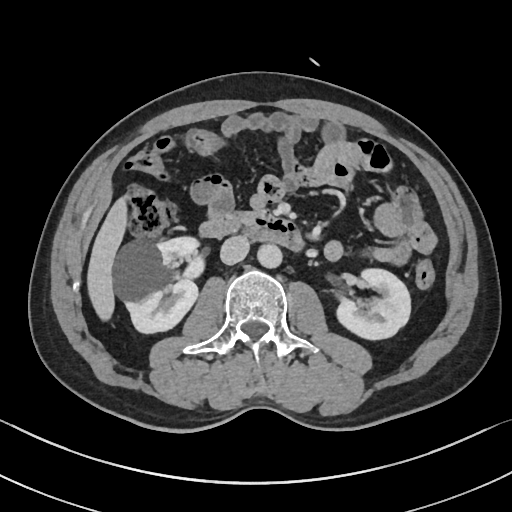 CT, abdomen/pelvis — axial plane, index 115 — 512x512 px
<organs><organ name="inferior vena cava" x1="220" y1="236" x2="249" y2="265"/><organ name="duodenum" x1="198" y1="215" x2="304" y2="253"/><organ name="liver" x1="86" y1="196" x2="127" y2="321"/><organ name="left kidney" x1="334" y1="269" x2="410" y2="340"/><organ name="right kidney" x1="114" y1="238" x2="199" y2="335"/><organ name="aorta" x1="258" y1="244" x2="282" y2="269"/><organ name="pancreas" x1="233" y1="210" x2="262" y2="226"/></organs>